CT, abdomen/pelvis — axial view — abdomen soft-tissue window — 512x512 px
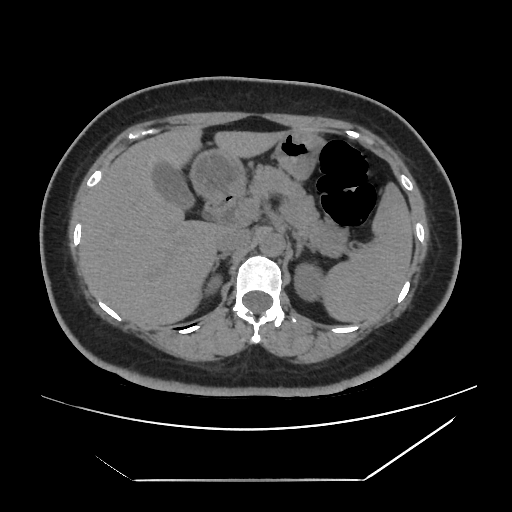
Boxes: x1:y1:x2:y2 in pixels.
spleen: 321:182:412:322
right kidney: 204:274:221:295
left kidney: 294:263:324:301
gall bladder: 153:162:194:209
liver: 79:125:287:326
stomach: 190:131:323:199
aorta: 259:231:284:256
inferior vena cava: 216:229:251:253
pancreas: 245:165:348:256
right adrenal gland: 213:253:229:271
left adrenal gland: 293:233:313:257
duodenum: 204:194:236:220